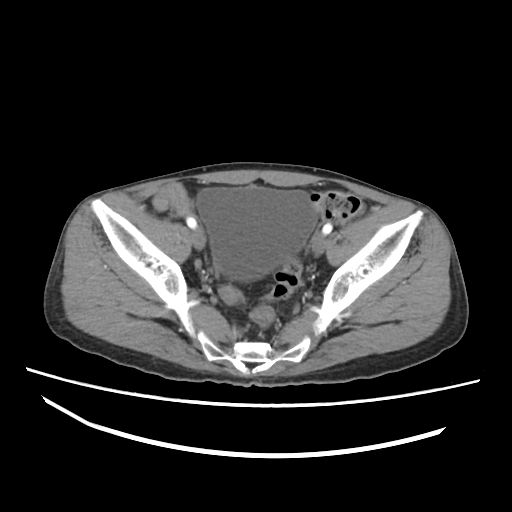 Computed tomography, abdomen · axial view · abdomen soft-tissue window · 512x512 px
Boxes: x1 y1 x2 y2 (pixel coords, space-separated).
Organ bounding boxes:
- bladder: 196 186 317 280